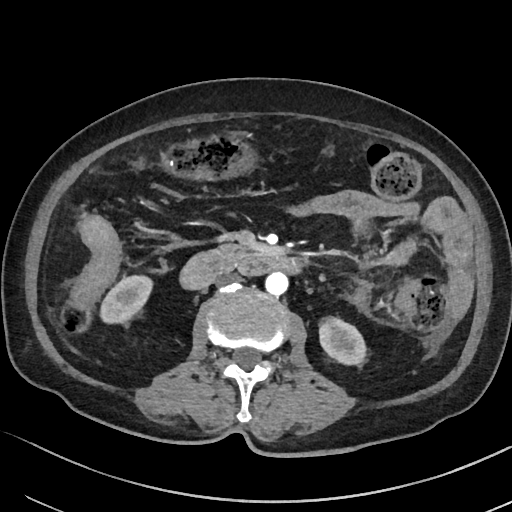

Abdominal CT · Axial slice 142/297 · 512x512 px
Boxes are (x1, y1, x2, y2) in pixels.
left kidney: (319, 316, 365, 364)
duodenum: (179, 250, 302, 289)
inferior vena cava: (215, 273, 243, 286)
right kidney: (100, 276, 152, 323)
pancreas: (216, 244, 245, 258)
aorta: (265, 272, 288, 295)